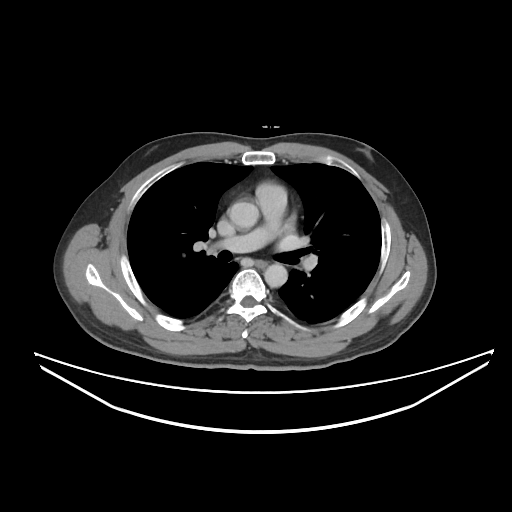 Chest-level CT slice, above the liver and spleen · axial plane, index 105 · soft-tissue window
On a slice this high in the chest, this dataset labels only the esophagus and the aorta, and each is boxed only where it is labeled; the heart, lungs and other chest structures are not labeled.
Bounding boxes in pixels, one row per box: x1, y1 is the top-left corner and x2, y2 the bottom-right.
| organ | x1 | y1 | x2 | y2 |
|---|---|---|---|---|
| esophagus | 255 | 260 | 266 | 266 |
| aorta | 228 | 201 | 258 | 228 |
| aorta | 264 | 263 | 287 | 287 |